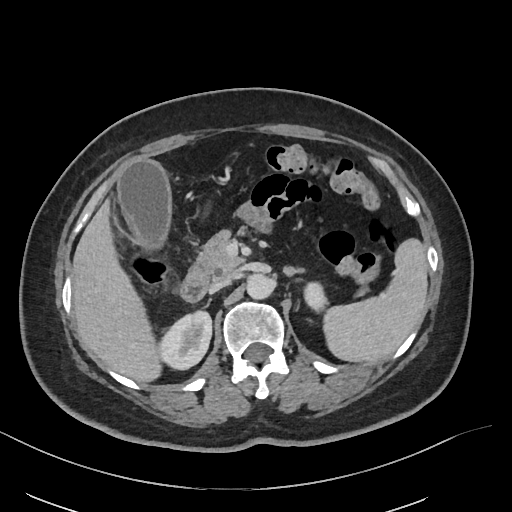

CT, abdomen/pelvis — axial plane, index 168 — 512x512 px — SOMATOM Force scanner
Boxes: x1:y1:x2:y2 in pixels.
liver: 73:199:161:381
inferior vena cava: 212:272:234:289
aorta: 246:273:273:299
pancreas: 191:230:367:295
left adrenal gland: 285:268:298:275
right kidney: 158:311:212:369
duodenum: 179:269:208:301
gall bladder: 118:160:169:247
left kidney: 304:282:327:311
spleen: 323:238:428:362